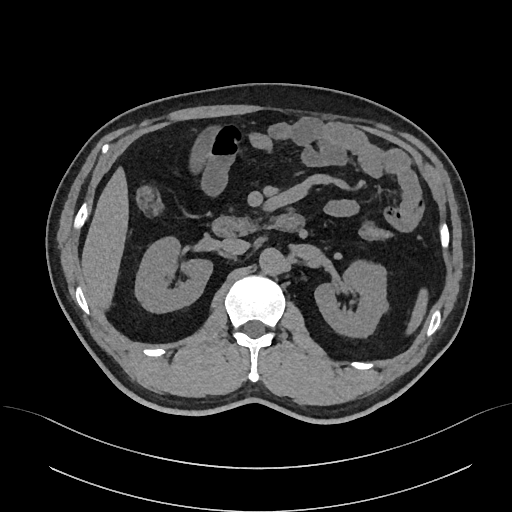 Computed tomography, abdomen · axial view · soft-tissue window (W 400 / L 40)
Boxes: x1 y1 x2 y2 (pixel coords, space-separated). Labeled organs on this slice: spleen at 408 287 428 333, right kidney at 135 238 212 313, left kidney at 314 263 386 338, liver at 81 166 129 314, aorta at 259 249 287 275, inferior vena cava at 221 238 250 256, duodenum at 211 212 305 236.